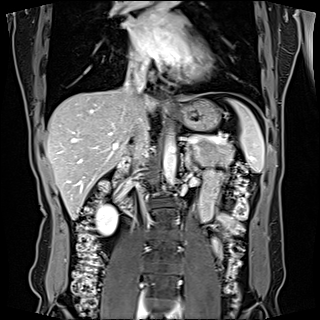
MRI, abdomen · coronal view · acquired on Prisma
{"organs":{"spleen":[228,99,264,172],"right kidney":[95,204,117,235],"esophagus":[162,91,173,110],"liver":[45,86,192,219],"stomach":[178,99,220,130],"aorta":[163,133,176,185],"inferior vena cava":[[125,62,146,129],[135,135,148,164],[137,186,144,213]],"pancreas":[192,137,233,166],"left adrenal gland":[185,147,193,166],"duodenum":[115,153,131,208]}}